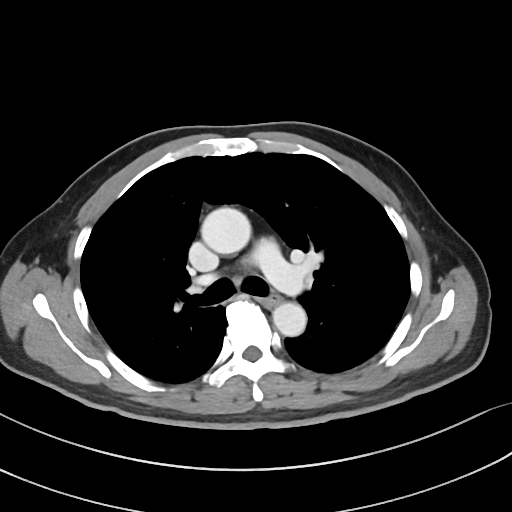
Chest-level slice from an abdominal CT that extends up into the chest. axial plane, index 102. soft-tissue window
At this level of the chest this dataset labels only the esophagus and the aorta, and each is boxed only where it is labeled; the heart and lungs are never labeled.
{"organs":{"esophagus":[261,294,281,306],"aorta":[[201,207,251,254],[273,303,306,336]]}}